Chest-level slice from an abdominal CT that extends up into the chest · axial view · 512x512 px
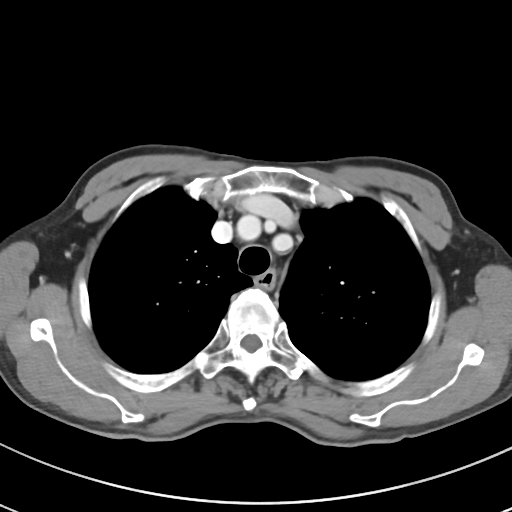

At this level of the chest this dataset labels only the esophagus and the aorta, and each is boxed only where it is labeled; the heart and lungs are never labeled.
{"organs":{"esophagus":[254,270,276,288]}}